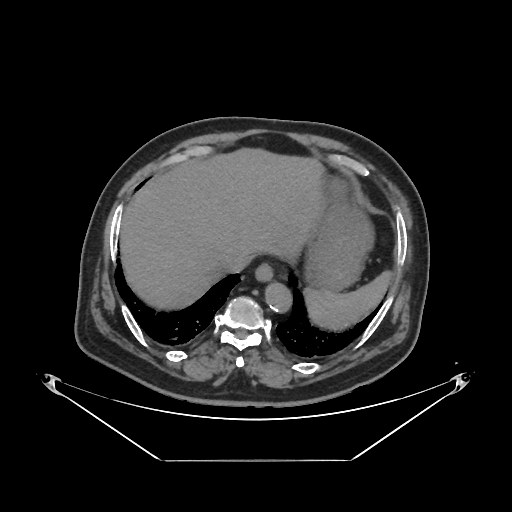 CT abdomen; axial view; soft-tissue window (W 400 / L 40); 512x512 px; 15 organs annotated in this scan (counted over the whole 3D scan, not this slice; an organ is boxed only where this slice passes through it)
Coordinates as <box>x1,y1,x2,y2</box> in pixels.
Organ bounding boxes:
- aorta: <box>264,281,291,311</box>
- spleen: <box>304,269,393,331</box>
- inferior vena cava: <box>221,253,249,272</box>
- stomach: <box>307,177,370,291</box>
- liver: <box>119,147,321,310</box>
- esophagus: <box>255,263,273,280</box>